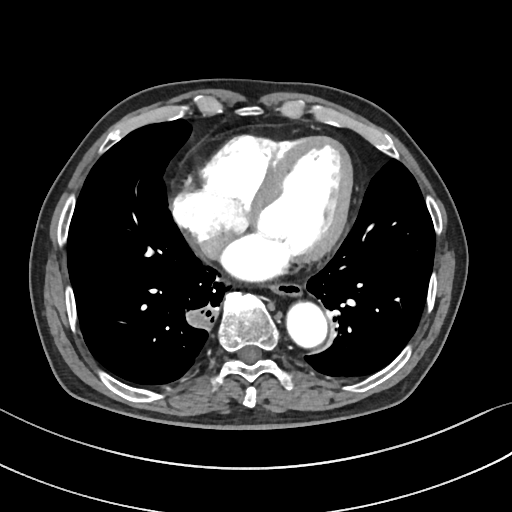
CT of the abdomen reaching into the lower chest, slice just above the liver and spleen · axial view · soft-tissue window (W 400 / L 40) · 512x512 px
No part of the heart or lungs is labeled in this dataset, so neither has a box here.
<organs><organ name="esophagus" x1="270" y1="281" x2="302" y2="296"/><organ name="aorta" x1="286" y1="302" x2="327" y2="347"/><organ name="inferior vena cava" x1="198" y1="232" x2="229" y2="258"/></organs>